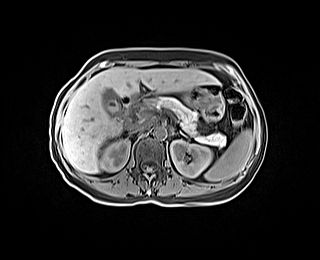 Abdominal MR. Axial slice 42/72. 1st–99th percentile window
Boxes: x1 y1 x2 y2 (pixel coords, space-separated).
Organ bounding boxes:
- left adrenal gland: 179 132 187 137
- inferior vena cava: 130 123 146 131
- liver: 61 67 219 173
- pancreas: 146 97 225 147
- right kidney: 100 139 130 171
- spleen: 204 129 253 181
- left kidney: 170 140 212 177
- aorta: 153 127 166 138
- stomach: 183 87 210 107
- gall bladder: 102 88 119 113
- duodenum: 117 92 149 122